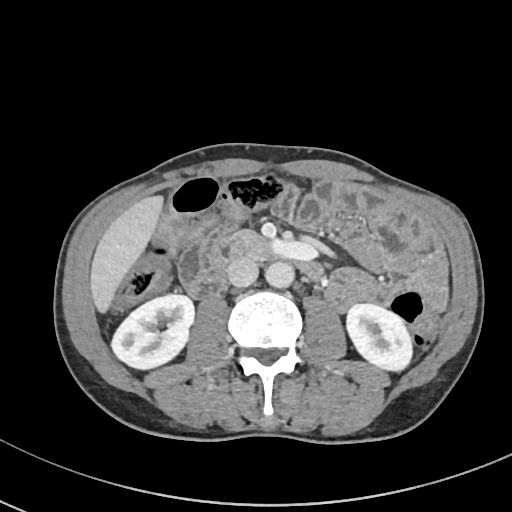
CT, abdomen/pelvis. axial view. SOMATOM Force scanner
Box edges are left/top/right/bottom in pixels. The annotated organs in this slice are: inferior vena cava at left=227, top=258, right=258, bottom=286, right kidney at left=111, top=294, right=194, bottom=369, duodenum at left=207, top=236, right=323, bottom=280, aorta at left=265, top=261, right=294, bottom=288, liver at left=90, top=196, right=163, bottom=312, left kidney at left=346, top=303, right=412, bottom=371, pancreas at left=235, top=230, right=279, bottom=260.